CT, abdomen/pelvis · axial plane, index 273
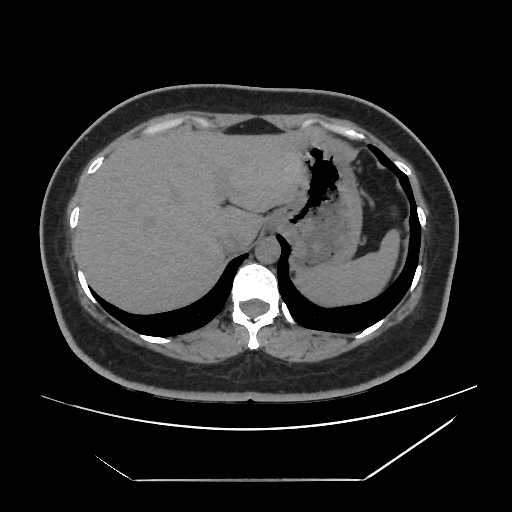 <organs><organ name="spleen" x1="296" y1="230" x2="398" y2="303"/><organ name="liver" x1="75" y1="129" x2="322" y2="312"/><organ name="stomach" x1="266" y1="136" x2="361" y2="269"/><organ name="aorta" x1="255" y1="237" x2="279" y2="263"/><organ name="inferior vena cava" x1="220" y1="230" x2="253" y2="252"/></organs>